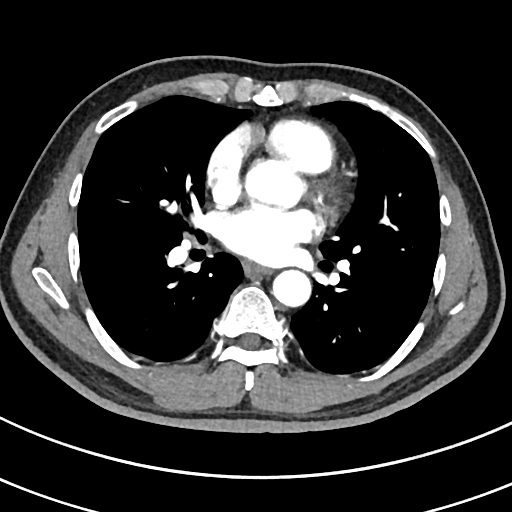 CT of the abdomen extending into the chest, slice through the chest · axial plane, index 223 · 15 organs annotated in this scan (that count is for the whole scan; organs this slice misses have no box)
At this level of the chest no structure but the esophagus and the aorta has a label in this dataset, and those two are boxed only where they are labeled.
One row per box, in pixels: columns x1 and y1 give the top-left corner, x2 and y2 the bottom-right.
| organ | x1 | y1 | x2 | y2 |
|---|---|---|---|---|
| esophagus | 243 | 262 | 269 | 275 |
| aorta | 273 | 269 | 311 | 306 |
| aorta | 278 | 163 | 291 | 179 |